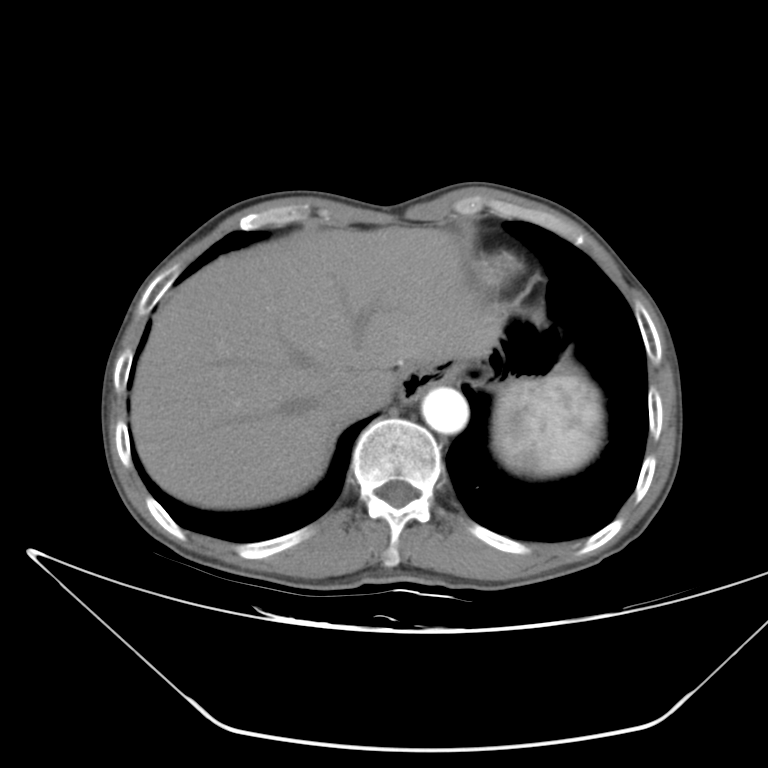

Computed tomography, abdomen · axial view · abdomen soft-tissue window · 768x768 px · scan has 13 labeled organs (that count is for the whole scan; organs this slice misses have no box)
Boxes: x1:y1:x2:y2 in pixels. Labeled organs on this slice: spleen at 494:374:602:476, liver at 131:227:503:508, stomach at 396:319:573:402, aorta at 422:387:468:433, inferior vena cava at 327:382:367:416.